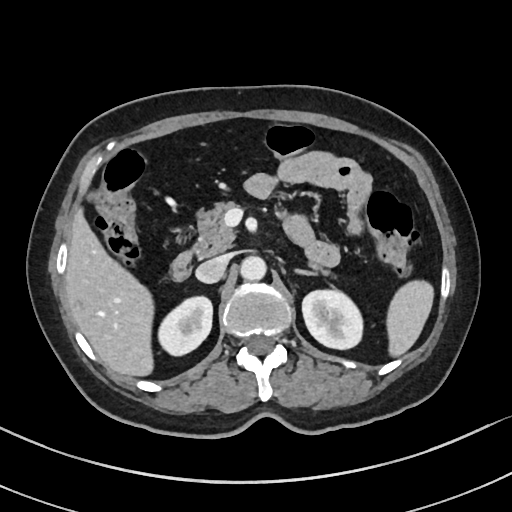
Abdominal CT. axial view. W/L 400/40 HU. acquired on SOMATOM Force. scan has 14 labeled organs (counted over the whole 3D scan, not this slice; an organ is boxed only where this slice passes through it)
{"organs":{"inferior vena cava":[195,255,228,283],"pancreas":[195,201,330,272],"duodenum":[171,249,193,279],"left kidney":[302,289,362,349],"liver":[65,206,153,377],"spleen":[387,280,433,356],"aorta":[239,256,265,281],"right kidney":[160,298,212,354],"left adrenal gland":[293,270,316,276]}}